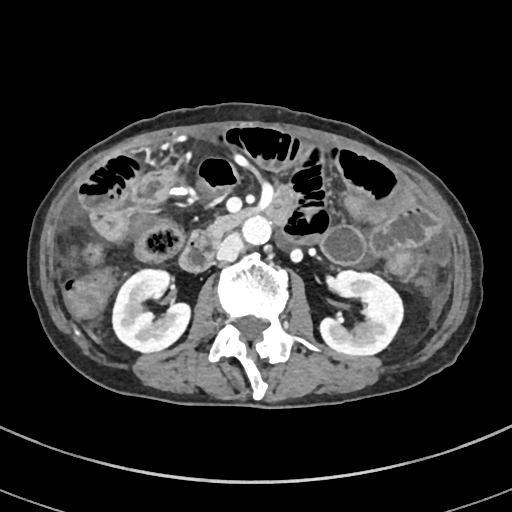 CT abdomen — axial view — soft-tissue window — SOMATOM Force scanner
One row per box, in pixels: columns x1 and y1 give the top-left corner, x2 and y2 the bottom-right.
| organ | x1 | y1 | x2 | y2 |
|---|---|---|---|---|
| right kidney | 112 | 269 | 189 | 351 |
| left kidney | 320 | 271 | 403 | 355 |
| aorta | 242 | 216 | 273 | 244 |
| inferior vena cava | 216 | 233 | 245 | 260 |
| pancreas | 209 | 206 | 256 | 234 |
| duodenum | 180 | 185 | 296 | 272 |